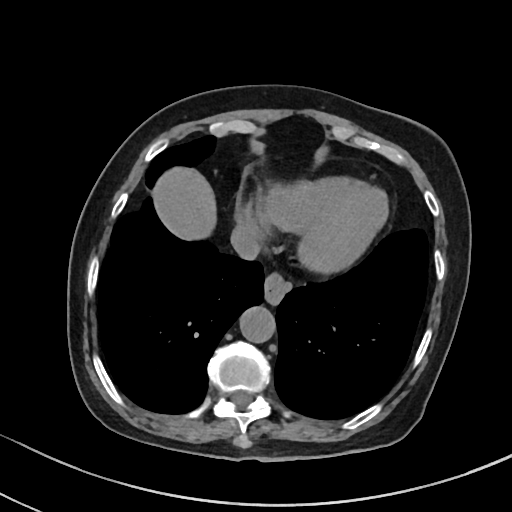

Computed tomography, abdomen · axial view · W/L 400/40 HU
{"organs":{"esophagus":[264,275,289,305],"liver":[154,167,215,239],"aorta":[239,307,276,343],"inferior vena cava":[230,225,260,260]}}